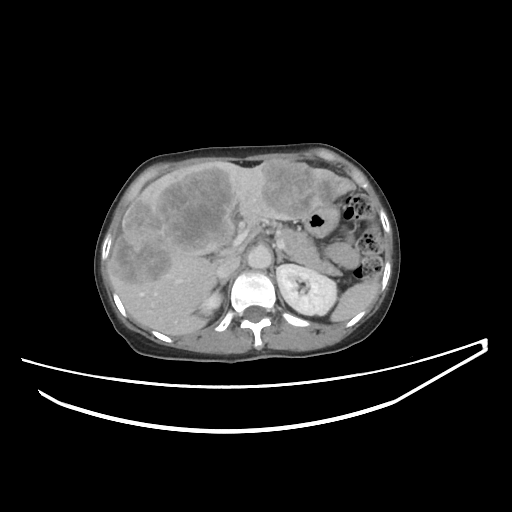

CT, abdomen/pelvis. axial view. 62-year-old female patient. 15 organs annotated in this scan (counted over the whole 3D scan, not this slice; an organ is boxed only where this slice passes through it)
<organs><organ name="spleen" x1="330" y1="279" x2="378" y2="322"/><organ name="right kidney" x1="199" y1="290" x2="221" y2="315"/><organ name="left kidney" x1="276" y1="264" x2="337" y2="315"/><organ name="liver" x1="107" y1="159" x2="353" y2="335"/><organ name="stomach" x1="295" y1="195" x2="339" y2="236"/><organ name="aorta" x1="247" y1="246" x2="271" y2="269"/><organ name="inferior vena cava" x1="216" y1="256" x2="240" y2="278"/><organ name="pancreas" x1="278" y1="227" x2="341" y2="276"/><organ name="right adrenal gland" x1="217" y1="278" x2="228" y2="290"/><organ name="left adrenal gland" x1="276" y1="249" x2="292" y2="263"/></organs>